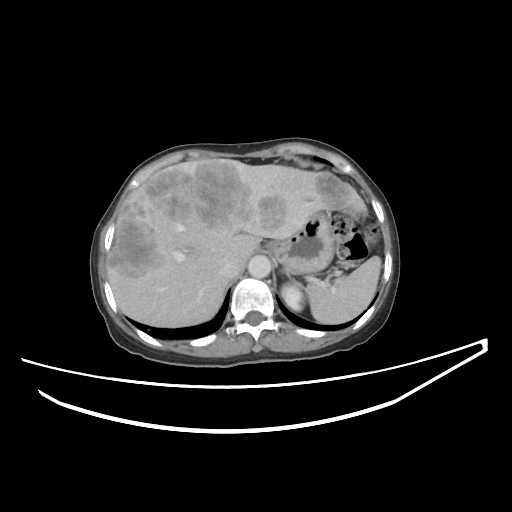
CT abdomen; axial plane, index 72; acquired on Aquilion ONE
{"organs":{"spleen":[306,256,381,323],"left kidney":[281,282,302,310],"liver":[108,159,369,327],"stomach":[265,212,333,274],"aorta":[248,255,271,278],"inferior vena cava":[219,258,242,279]}}